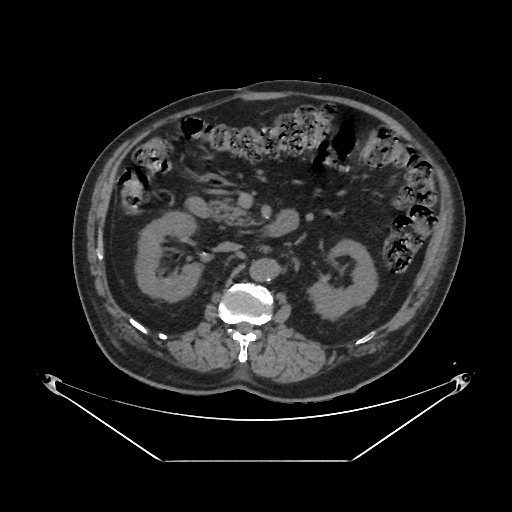
CT abdomen; axial plane, index 220; soft-tissue window; 512x512 px; scan has 15 labeled organs (that count is for the whole scan; organs this slice misses have no box)
{"organs":{"right kidney":[136,210,200,300],"left kidney":[311,238,376,316],"aorta":[251,257,279,280],"inferior vena cava":[218,241,240,251],"pancreas":[210,198,255,227],"duodenum":[185,196,290,237]}}